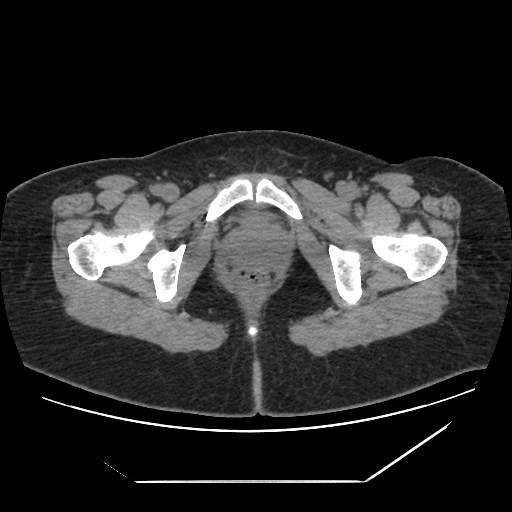

CT, abdomen/pelvis. axial view. soft-tissue window (W 400 / L 40). 512x512 px. acquired on SOMATOM Force
{"organs":{"bladder":[238,210,269,223]}}